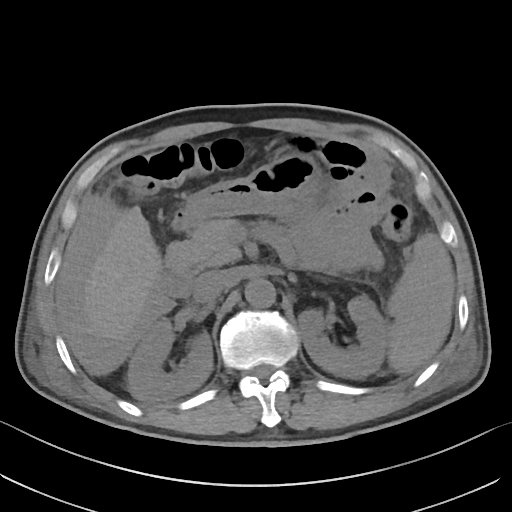
CT, abdomen/pelvis — axial plane, index 63 — 512x512 px — SOMATOM Force scanner — 15 organs annotated in this scan (a whole-scan count: organs this slice does not pass through have no box)
Each box given as x1,y1,x2,y2. Labeled organs on this slice: spleen at x1=387, y1=233, x2=454, y2=373, right kidney at x1=127, y1=318, x2=213, y2=401, left kidney at x1=298, y1=295, x2=387, y2=378, liver at x1=82, y1=206, x2=162, y2=343, stomach at x1=181, y1=153, x2=322, y2=228, aorta at x1=245, y1=278, x2=275, y2=307, inferior vena cava at x1=193, y1=270, x2=228, y2=303, pancreas at x1=166, y1=219, x2=274, y2=267, duodenum at x1=157, y1=211, x2=197, y2=297.